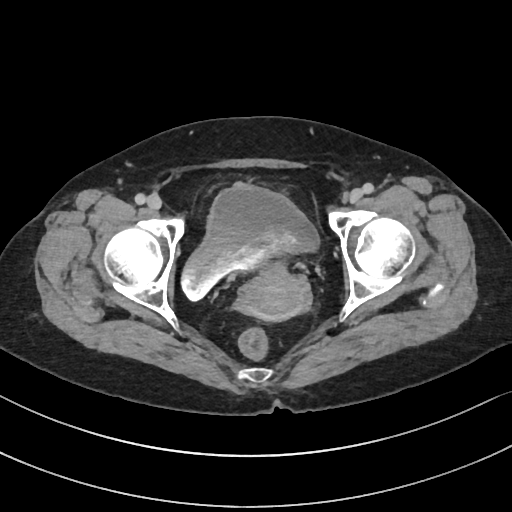
CT abdomen — Axial slice 32/212 — soft-tissue window (W 400 / L 40) — 512x512 px — scan has 15 labeled organs (a whole-scan count: organs this slice does not pass through have no box)
Bounding boxes in pixels, one row per box: x1, y1 is the top-left corner and x2, y2 the bottom-right.
| organ | x1 | y1 | x2 | y2 |
|---|---|---|---|---|
| bladder | 181 | 184 | 318 | 299 |
| prostate/uterus | 236 | 262 | 310 | 320 |